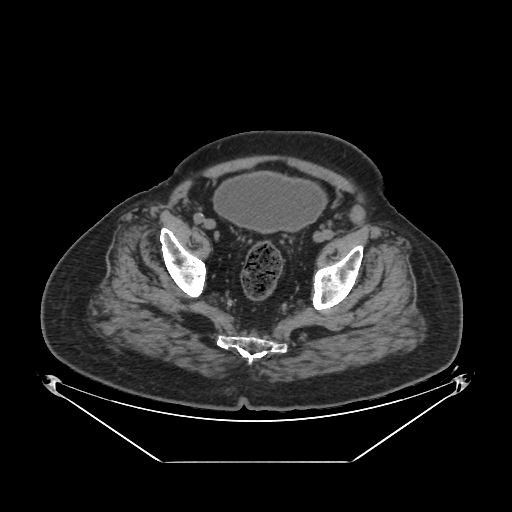 Abdominal CT; axial view; SOMATOM Force scanner
<organs><organ name="bladder" x1="213" y1="172" x2="326" y2="232"/></organs>